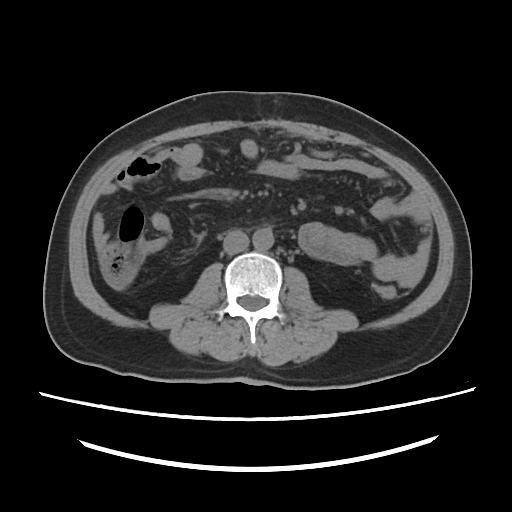 CT abdomen · axial view · 512x512 px
Boxes: x1:y1:x2:y2 in pixels.
inferior vena cava: 223:230:248:254
aorta: 252:228:273:250